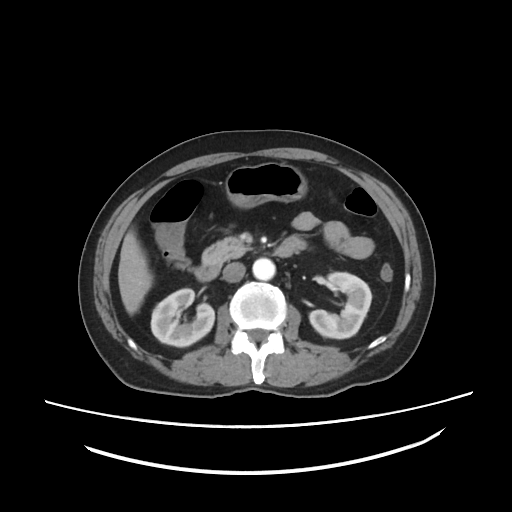
CT, abdomen/pelvis · axial plane, index 60 · 512x512 px · 68-year-old male patient
Each box given as x1,y1,x2,y2.
Organ bounding boxes:
- right kidney: x1=151, y1=288, x2=214, y2=346
- left kidney: x1=309, y1=272, x2=371, y2=338
- liver: x1=118, y1=229, x2=152, y2=314
- stomach: x1=225, y1=162, x2=306, y2=208
- aorta: x1=252, y1=258, x2=275, y2=280
- inferior vena cava: x1=223, y1=262, x2=245, y2=282
- pancreas: x1=202, y1=236, x2=251, y2=264
- duodenum: x1=194, y1=237, x2=304, y2=281